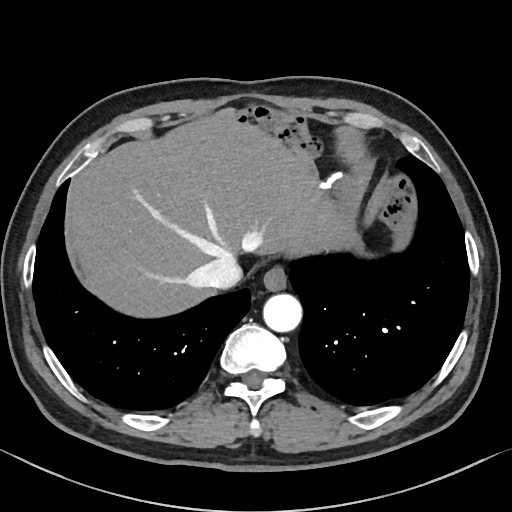

CT, abdomen/pelvis — Axial slice 190/245
Boxes: x1:y1:x2:y2 in pixels.
esophagus: 263:265:286:289
liver: 71:107:356:317
stomach: 320:174:364:256
aorta: 263:293:301:332
inferior vena cava: 197:257:242:290